Abdominal MRI — coronal acquisition — percentile-normalized — 260x320 px
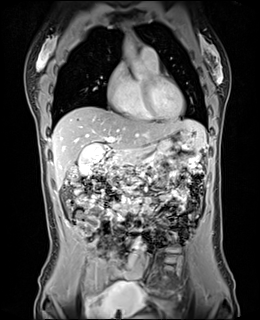

Each box given as x1,y1,x2,y2.
Organ bounding boxes:
- gall bladder: x1=78, y1=145, x2=104, y2=174
- liver: x1=51, y1=106, x2=205, y2=188
- stomach: x1=148, y1=126, x2=204, y2=150
- aorta: x1=122, y1=34, x2=150, y2=78
- pancreas: x1=106, y1=148, x2=151, y2=177
- duodenum: x1=105, y1=151, x2=120, y2=165